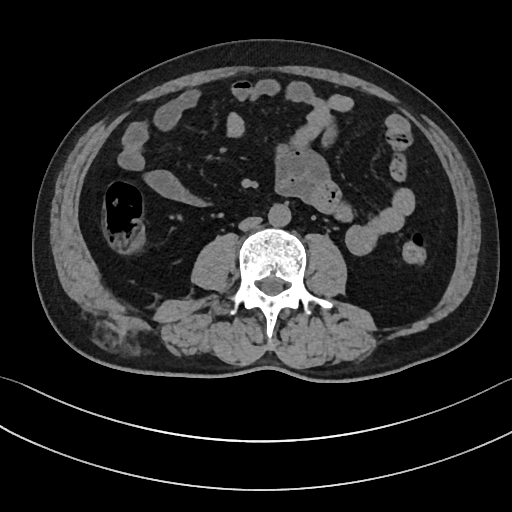 CT, abdomen/pelvis. axial plane, index 117. 512x512 px
<organs><organ name="aorta" x1="268" y1="204" x2="291" y2="227"/><organ name="inferior vena cava" x1="239" y1="217" x2="261" y2="229"/></organs>